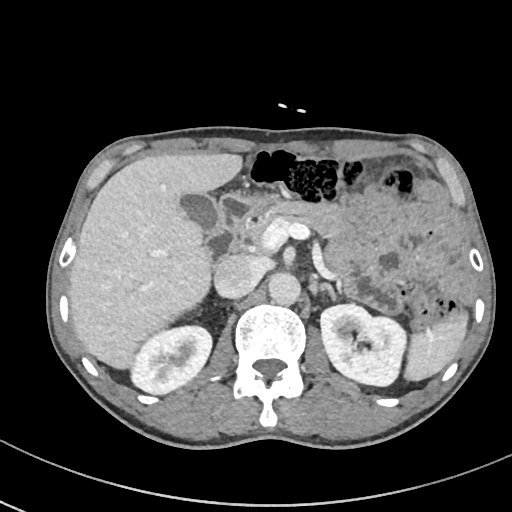

CT, abdomen/pelvis — Axial slice 155/306 — soft-tissue window (W 400 / L 40)
Boxes are (x1, y1, x2, y2) in pixels. The annotated organs in this slice are: left adrenal gland at (317, 283, 337, 299), liver at (69, 153, 242, 368), left kidney at (320, 304, 406, 386), aorta at (268, 272, 300, 305), spleen at (404, 312, 467, 381), inferior vena cava at (214, 254, 260, 297), duodenum at (205, 195, 266, 261), right kidney at (131, 326, 211, 394), pancreas at (240, 201, 341, 245), gall bladder at (180, 193, 220, 235).